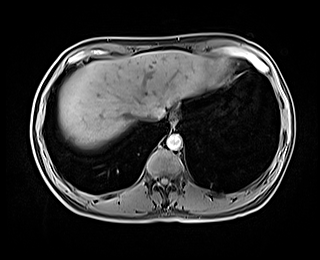
Abdominal MR. axial view. 1st–99th percentile window. 13 organs annotated in this scan (that count is for the whole scan; organs this slice misses have no box)
<organs><organ name="esophagus" x1="170" y1="113" x2="177" y2="125"/><organ name="liver" x1="58" y1="50" x2="227" y2="148"/><organ name="inferior vena cava" x1="141" y1="111" x2="157" y2="121"/><organ name="aorta" x1="166" y1="134" x2="182" y2="149"/></organs>